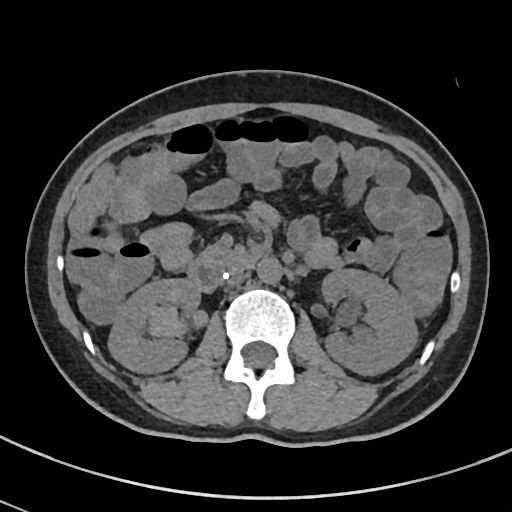

Abdominal CT · axial plane, index 143 · abdomen soft-tissue window
{"organs":{"right kidney":[107,278,200,373],"left kidney":[322,269,419,376],"aorta":[257,258,282,284],"inferior vena cava":[218,267,244,285],"pancreas":[202,245,245,270],"duodenum":[187,249,264,292]}}